Abdominal CT · Axial slice 85/345 · 512x512 px
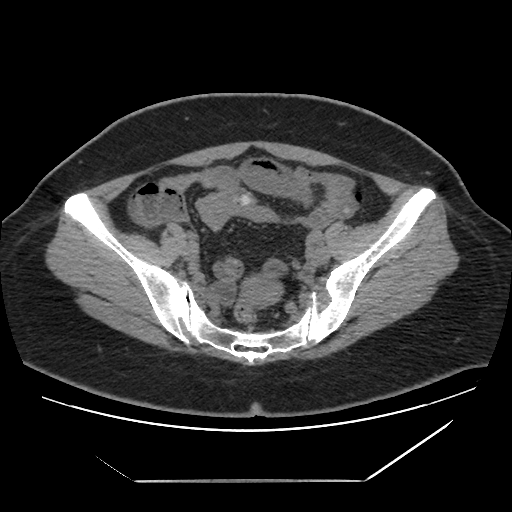
{"organs":{"prostate/uterus":[240,279,278,304]}}